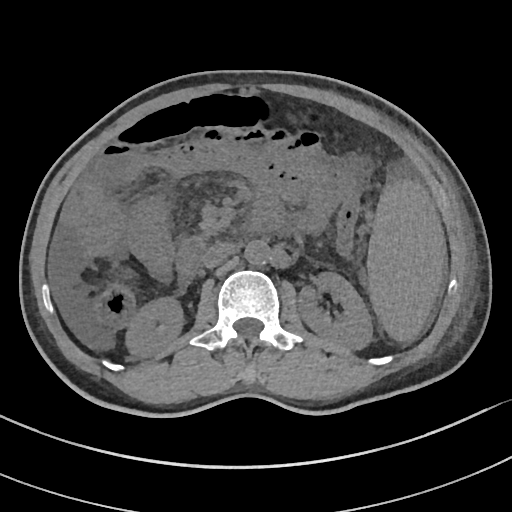

Abdominal CT. axial view. W/L 400/40 HU. SOMATOM Force scanner
{"organs":{"spleen":[367,180,446,341],"right kidney":[125,297,183,357],"left kidney":[297,272,372,350],"aorta":[244,240,270,265],"inferior vena cava":[202,242,235,268],"pancreas":[197,220,222,243],"duodenum":[177,238,204,285]}}